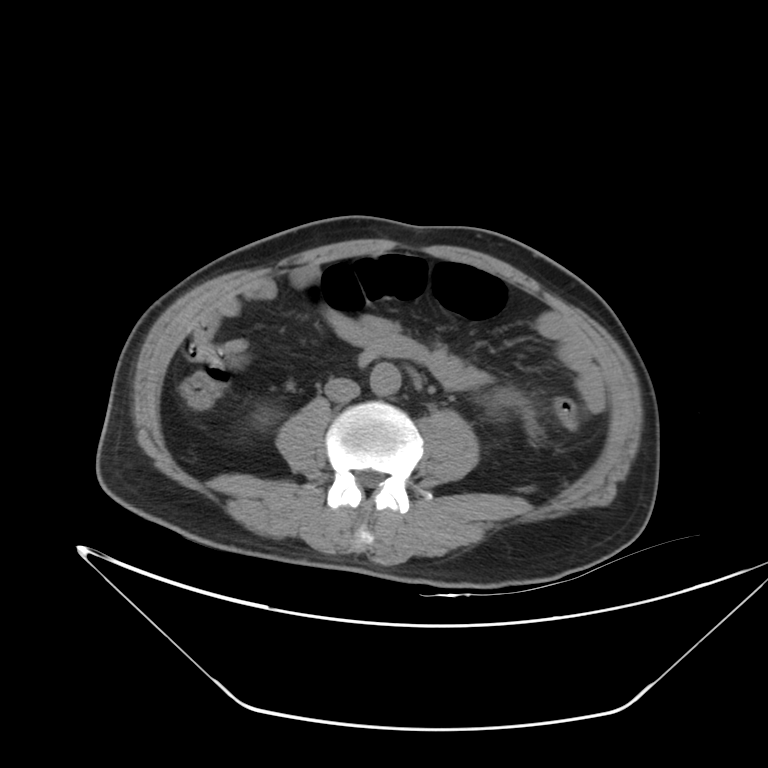

Abdominal CT. axial plane, index 53
One row per box, in pixels: columns x1 and y1 give the top-left corner, x2 and y2 the bottom-right.
| organ | x1 | y1 | x2 | y2 |
|---|---|---|---|---|
| aorta | 370 | 362 | 401 | 396 |
| inferior vena cava | 326 | 378 | 358 | 400 |